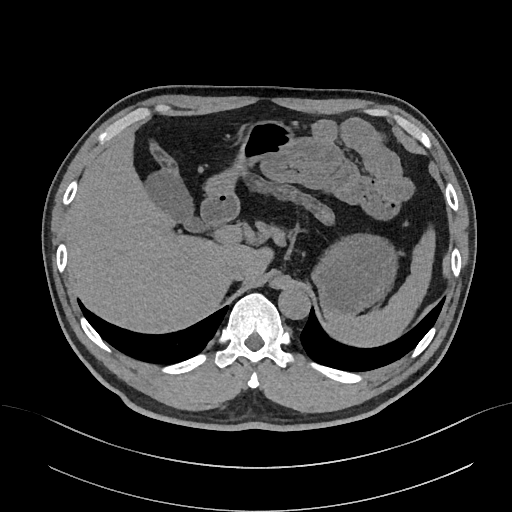
CT, abdomen/pelvis; axial plane, index 206; W/L 400/40 HU; acquired on SOMATOM Force; 15 organs annotated in this scan (counted over the whole 3D scan, not this slice; an organ is boxed only where this slice passes through it)
Organ boxes in pixel coordinates; each row gives the top-left (x1, y1) and bottom-right (x2, y2) corners.
| organ | x1 | y1 | x2 | y2 |
|---|---|---|---|---|
| spleen | 326 | 227 | 435 | 347 |
| gall bladder | 145 | 170 | 203 | 231 |
| liver | 66 | 134 | 273 | 333 |
| stomach | 205 | 120 | 397 | 315 |
| aorta | 278 | 287 | 310 | 319 |
| inferior vena cava | 222 | 256 | 248 | 280 |
| pancreas | 260 | 223 | 290 | 243 |
| duodenum | 201 | 193 | 239 | 226 |